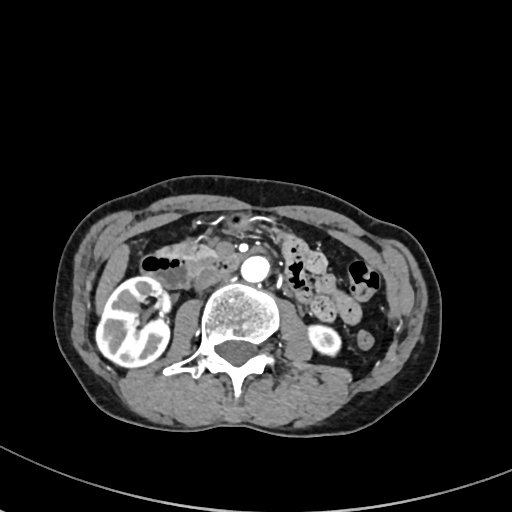 CT abdomen · axial view
<organs><organ name="right kidney" x1="95" y1="276" x2="170" y2="369"/><organ name="left kidney" x1="306" y1="323" x2="342" y2="357"/><organ name="liver" x1="94" y1="243" x2="130" y2="315"/><organ name="stomach" x1="225" y1="214" x2="250" y2="230"/><organ name="aorta" x1="239" y1="255" x2="269" y2="283"/><organ name="inferior vena cava" x1="193" y1="272" x2="227" y2="292"/><organ name="pancreas" x1="160" y1="245" x2="215" y2="261"/><organ name="duodenum" x1="138" y1="251" x2="239" y2="288"/></organs>